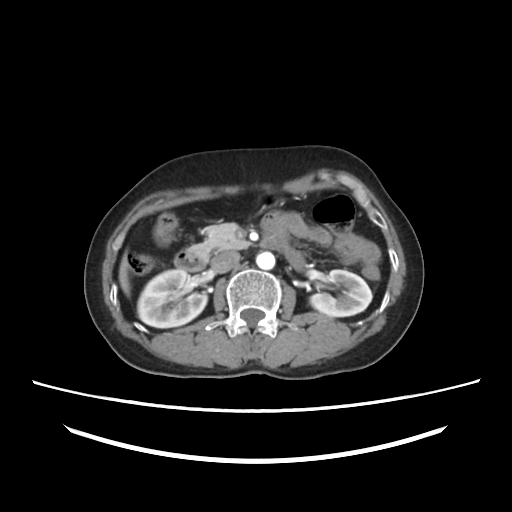 CT, abdomen/pelvis · axial view · 512x512 px
Coordinates as <box>x1,y1,x2,y2</box> in pixels. 7 labeled organs on this slice — right kidney at <box>137,269,207,327</box>; left kidney at <box>310,270,372,316</box>; liver at <box>118,253,130,295</box>; aorta at <box>256,251,275,269</box>; inferior vena cava at <box>211,251,239,273</box>; pancreas at <box>188,223,249,259</box>; duodenum at <box>174,237,304,271</box>.